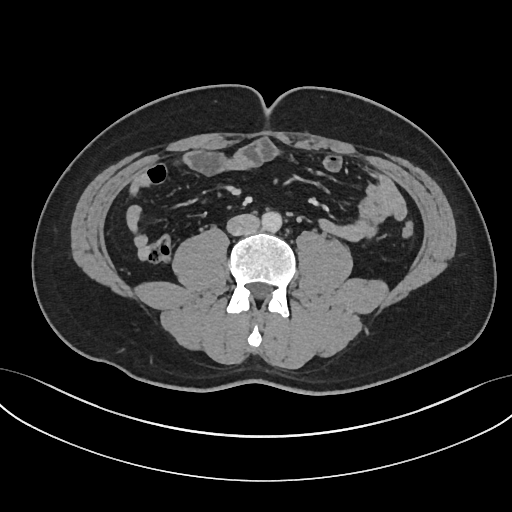
CT, abdomen/pelvis — axial view — abdomen soft-tissue window — 15 organs annotated in this scan (that count is for the whole scan; organs this slice misses have no box)
Bounding boxes as [x1, y1, x2, y2] in pixel coordinates.
Organ bounding boxes:
- inferior vena cava: [227, 214, 259, 235]
- aorta: [261, 211, 281, 232]